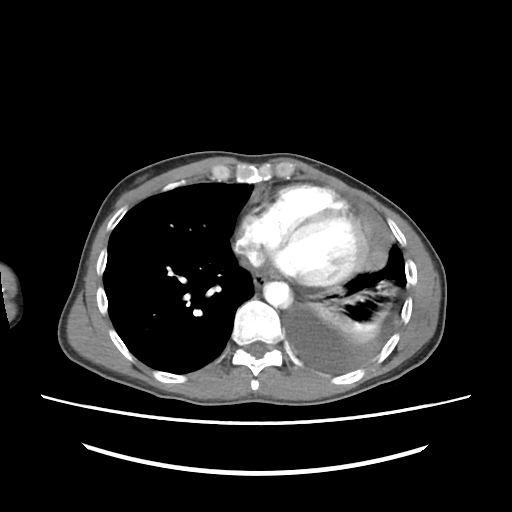

Lower-chest slice from an abdominal CT, just above the liver and spleen; axial view
The heart and lungs are never labeled in this dataset, so they have no box on this slice. Bounding boxes as [x1, y1, x2, y2] in pixel coordinates. The annotated organs in this slice are: esophagus at [253, 272, 270, 286], aorta at [263, 281, 292, 308].